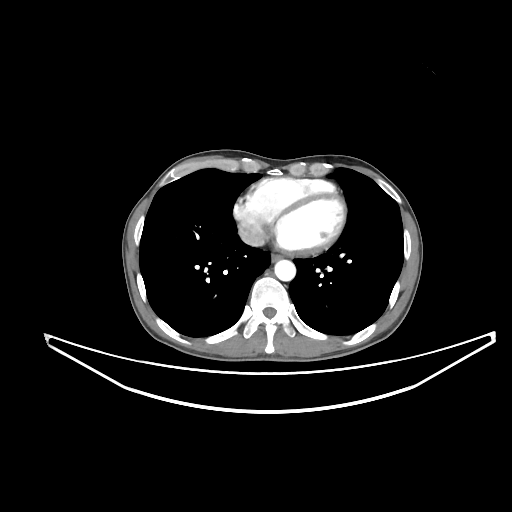

Abdominal CT; this slice is in the lower chest, just above the liver — Axial slice 91/134 — soft-tissue window (W 400 / L 40) — 52-year-old male patient — 15 organs annotated in this scan (counted over the whole 3D scan, not this slice; an organ is boxed only where this slice passes through it)
The heart and lungs are never labeled in this dataset, so they have no box on this slice.
{"organs":{"esophagus":[271,254,283,261],"aorta":[274,260,295,281],"inferior vena cava":[240,230,264,246]}}